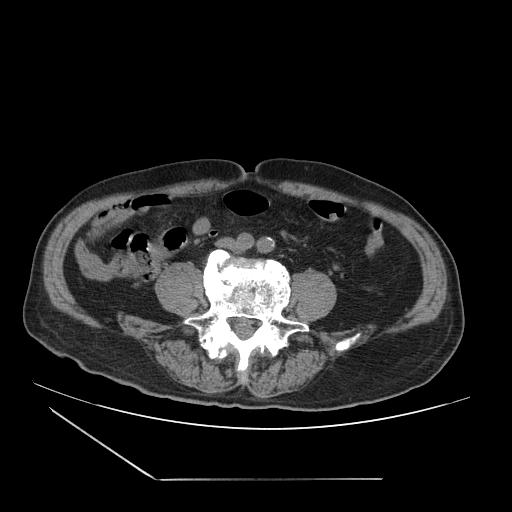

Computed tomography, abdomen. axial view. soft-tissue window (W 400 / L 40). 512x512 px
Box edges are left/top/right/bottom in pixels.
Organ bounding boxes:
- inferior vena cava: left=217, top=238, right=234, bottom=247